CT abdomen; Axial slice 61/94
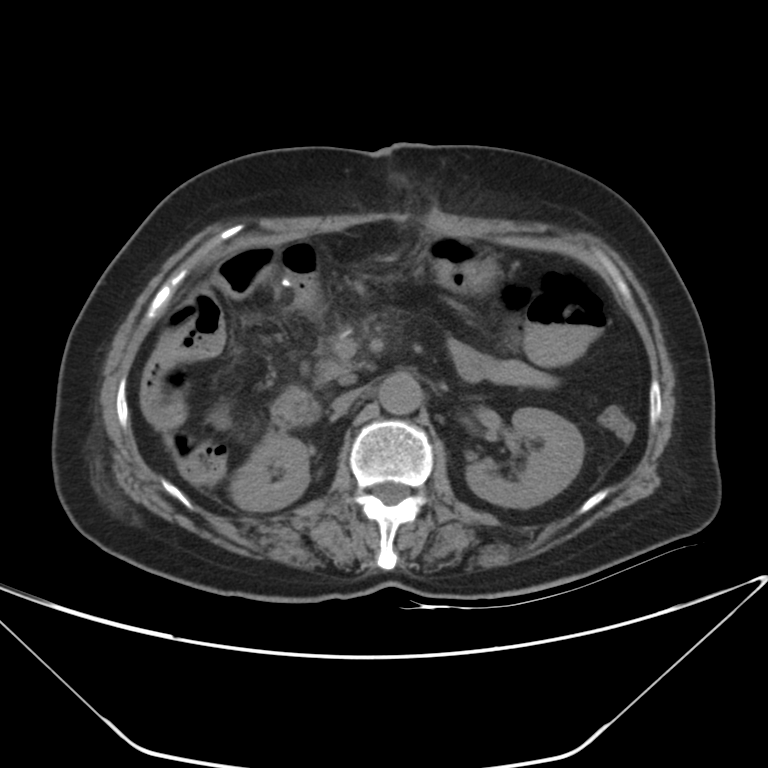
Organ boxes in pixel coordinates; each row gives the top-left (x1, y1) and bottom-right (x2, y2) corners.
| organ | x1 | y1 | x2 | y2 |
|---|---|---|---|---|
| stomach | 421 | 236 | 499 | 295 |
| aorta | 378 | 372 | 422 | 414 |
| inferior vena cava | 332 | 390 | 359 | 414 |
| pancreas | 322 | 361 | 348 | 372 |
| left kidney | 466 | 408 | 583 | 508 |
| right kidney | 230 | 433 | 308 | 511 |
| duodenum | 271 | 388 | 318 | 425 |